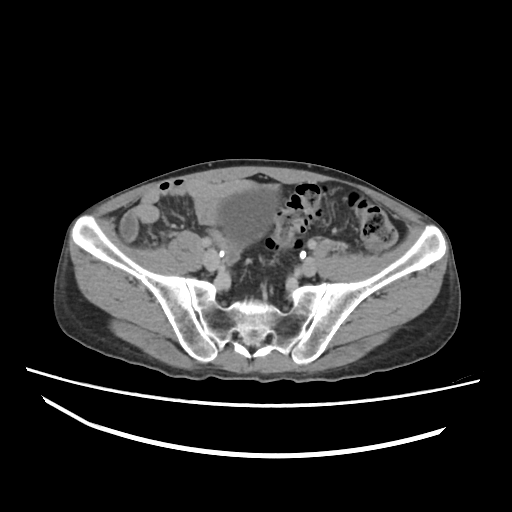 CT, abdomen/pelvis — Axial slice 39/101 — W/L 400/40 HU — 512x512 px — acquired on Aquilion ONE
Coordinates as <box>x1,y1,x2,y2</box> in pixels. The annotated organs in this slice are: bladder at <box>217,186,278,244</box>.